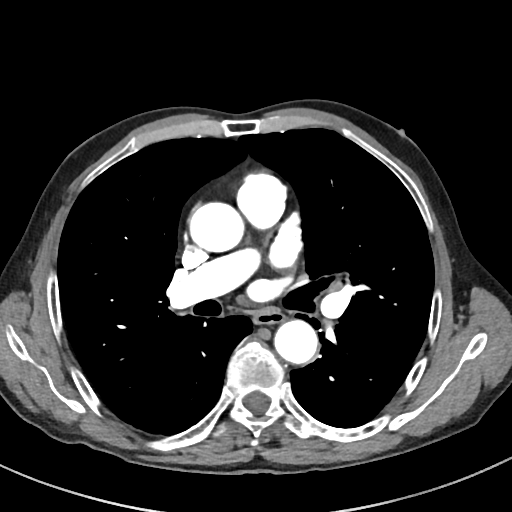 CT of the abdomen extending into the chest, slice through the chest · axial view · W/L 400/40 HU
At this level of the chest this dataset labels only the esophagus and the aorta, and each is boxed only where it is labeled; the heart and lungs are never labeled.
Boxes: x1:y1:x2:y2 in pixels.
esophagus: 253:310:283:324
aorta: 191:202:246:251
aorta: 274:318:317:363